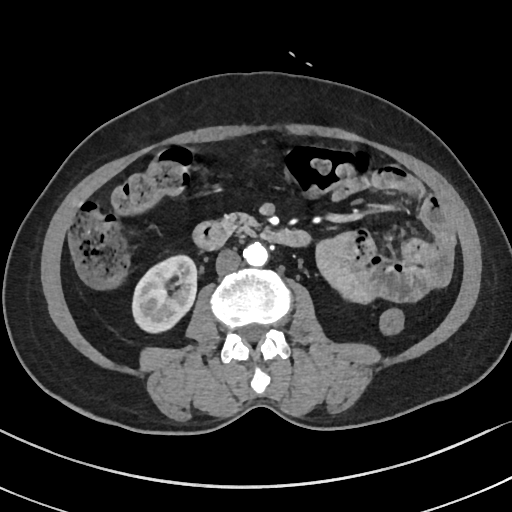

CT, abdomen/pelvis. axial view. 15 organs annotated in this scan (that count is for the whole scan; organs this slice misses have no box)
Boxes are (x1, y1, x2, y2) in pixels.
Organ bounding boxes:
- right kidney: (132, 255, 197, 332)
- aorta: (243, 242, 268, 266)
- inferior vena cava: (216, 249, 241, 274)
- pancreas: (220, 213, 256, 235)
- duodenum: (193, 221, 310, 250)